Abdominal CT; axial plane, index 78; abdomen soft-tissue window; acquired on Aquilion ONE
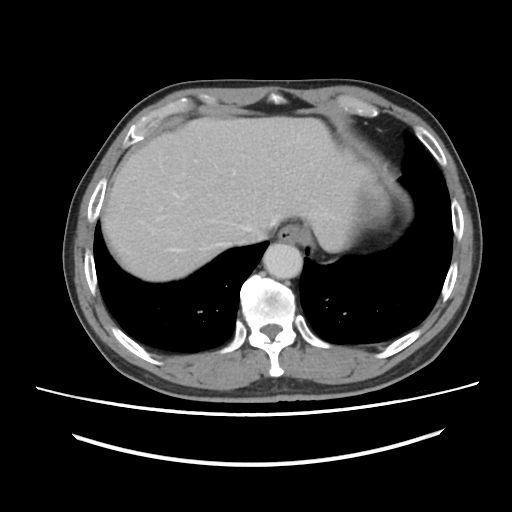
<organs><organ name="esophagus" x1="278" y1="224" x2="306" y2="243"/><organ name="liver" x1="102" y1="116" x2="388" y2="281"/><organ name="aorta" x1="263" y1="243" x2="302" y2="278"/><organ name="inferior vena cava" x1="233" y1="228" x2="267" y2="244"/></organs>